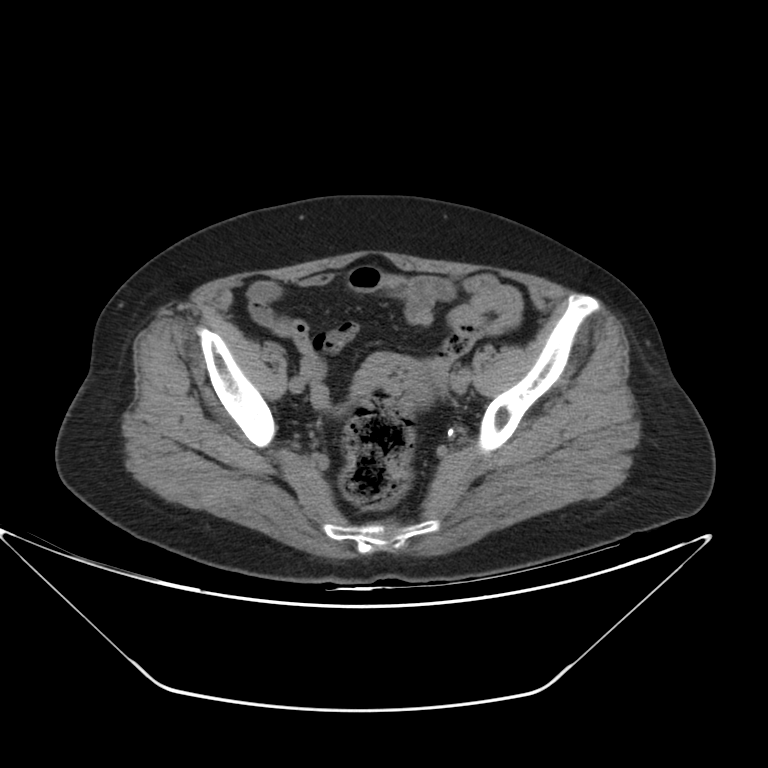 Abdominal CT · Axial slice 26/97 · 768x768 px
<organs><organ name="prostate/uterus" x1="407" y1="371" x2="430" y2="401"/></organs>